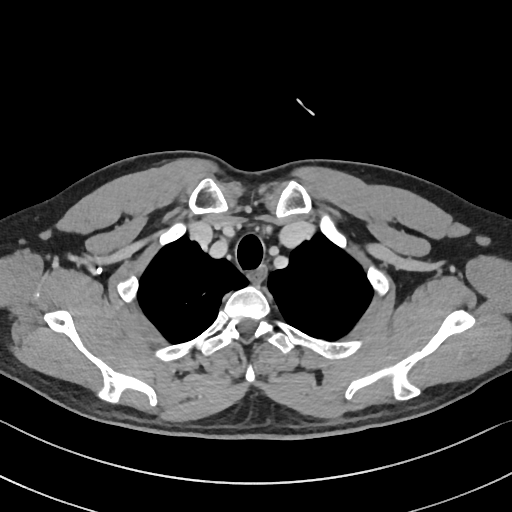
Chest-level slice from an abdominal CT that extends up into the chest · axial view · 512x512 px
On a slice this high in the chest, this dataset labels only the esophagus and the aorta, and each is boxed only where it is labeled; the heart, lungs and other chest structures are not labeled.
<organs><organ name="esophagus" x1="249" y1="265" x2="266" y2="283"/></organs>